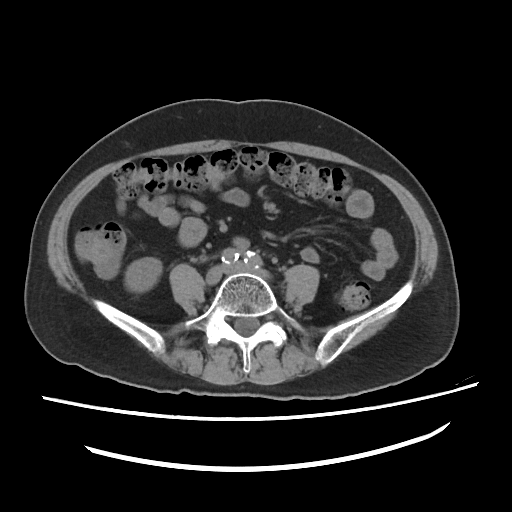
Computed tomography, abdomen · axial view · 512x512 px · 14 organs annotated in this scan (a whole-scan count: organs this slice does not pass through have no box)
{"organs":{"right kidney":[125,257,162,291]}}